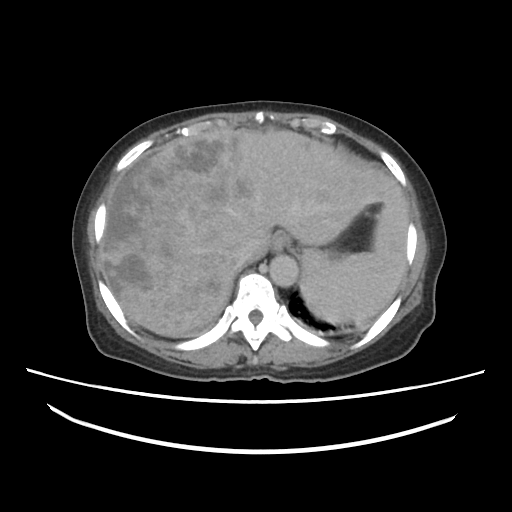
CT, abdomen/pelvis · Axial slice 82/100 · 71-year-old female patient · acquired on Aquilion ONE · scan has 15 labeled organs (that count is for the whole scan; organs this slice misses have no box)
Boxes: x1 y1 x2 y2 (pixel coords, space-separated).
Organ bounding boxes:
- spleen: 300 248 399 323
- esophagus: 272 236 284 254
- liver: 101 131 410 335
- aorta: 270 255 298 287
- inferior vena cava: 235 238 259 264